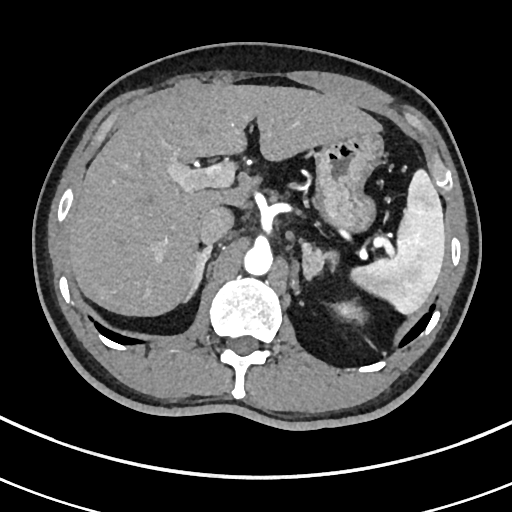 CT abdomen; axial view; 512x512 px
Boxes: x1 y1 x2 y2 (pixel coords, space-separated).
Organ bounding boxes:
- spleen: 351 169 445 314
- left kidney: 334 301 366 322
- liver: 68 85 382 316
- stomach: 314 134 383 232
- aorta: 243 243 273 275
- inferior vena cava: 199 206 233 245
- right adrenal gland: 185 246 212 301
- left adrenal gland: 302 243 337 279